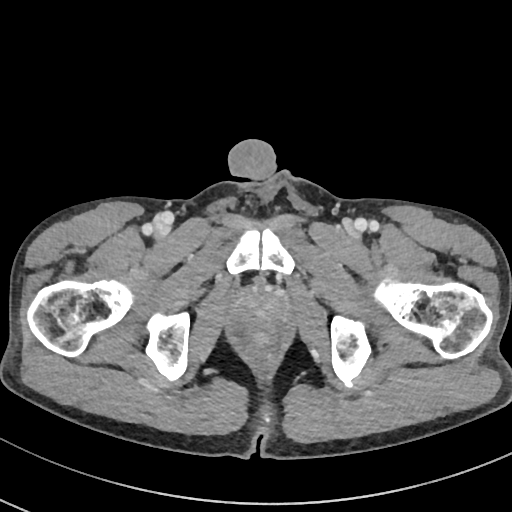 Computed tomography, abdomen — Axial slice 28/306
Box edges are left/top/right/bottom in pixels. 1 labeled organ on this slice — prostate/uterus at left=244, top=297, right=280, bottom=323.